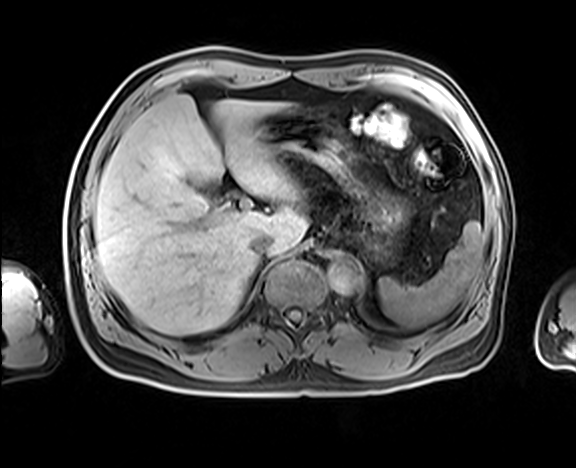

Abdominal MRI; axial view; 13 organs annotated in this scan (a whole-scan count: organs this slice does not pass through have no box)
Boxes are (x1, y1, x2, y2) in pixels.
spleen: (378, 221, 484, 328)
liver: (94, 94, 308, 335)
stomach: (259, 111, 407, 259)
aorta: (328, 259, 360, 294)
inferior vena cava: (250, 233, 272, 255)